Computed tomography, abdomen; axial view; 37-year-old male patient; Brilliance16 scanner
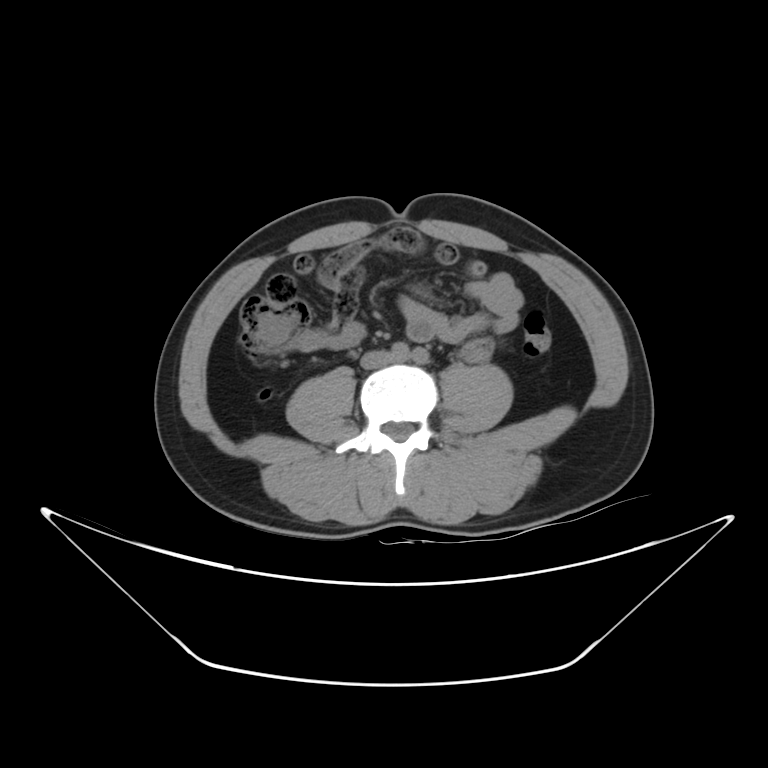

<organs><organ name="inferior vena cava" x1="360" y1="351" x2="393" y2="368"/></organs>